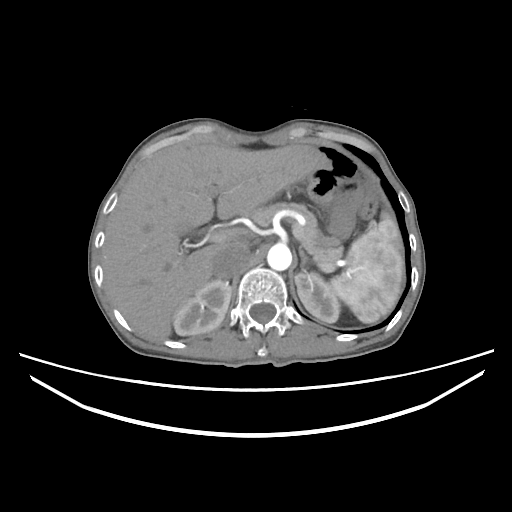
CT, abdomen/pelvis · axial plane, index 64 · 50-year-old male patient · 14 organs annotated in this scan (counted over the whole 3D scan, not this slice; an organ is boxed only where this slice passes through it)
Bounding boxes as [x1, y1, x2, y2] in pixel coordinates.
Organ bounding boxes:
- pancreas: [250, 202, 342, 262]
- left kidney: [294, 271, 340, 322]
- liver: [101, 144, 322, 340]
- right kidney: [173, 280, 231, 335]
- left adrenal gland: [299, 247, 313, 270]
- aorta: [267, 244, 291, 270]
- inferior vena cava: [213, 247, 249, 278]
- spleen: [329, 213, 403, 323]